MRI, abdomen; axial plane, index 57; 1st–99th percentile window
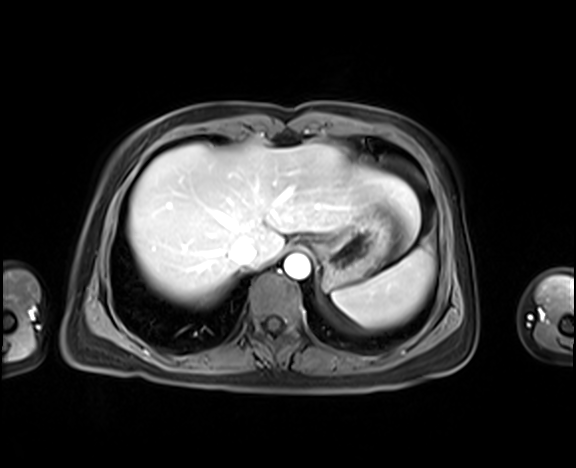 Bounding boxes in pixels, one row per box: x1, y1 is the top-left corner and x2, y2 the bottom-right.
| organ | x1 | y1 | x2 | y2 |
|---|---|---|---|---|
| spleen | 332 | 245 | 434 | 328 |
| liver | 128 | 143 | 420 | 305 |
| stomach | 311 | 206 | 392 | 289 |
| aorta | 284 | 254 | 310 | 278 |
| inferior vena cava | 229 | 241 | 256 | 265 |